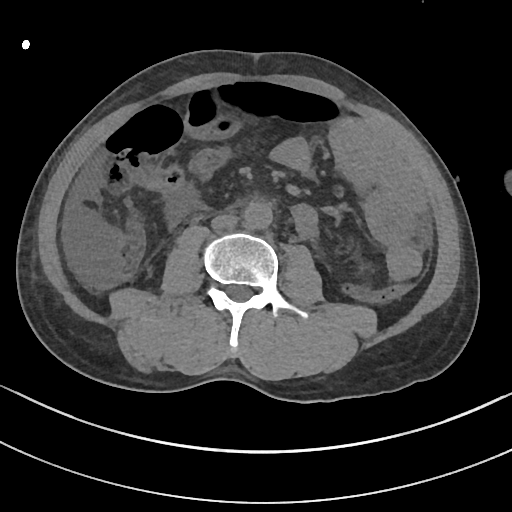 Computed tomography, abdomen; axial view; W/L 400/40 HU
Box edges are left/top/right/bottom in pixels.
Organ bounding boxes:
- aorta: left=243, top=202, right=271, bottom=229
- inferior vena cava: left=211, top=214, right=237, bottom=229